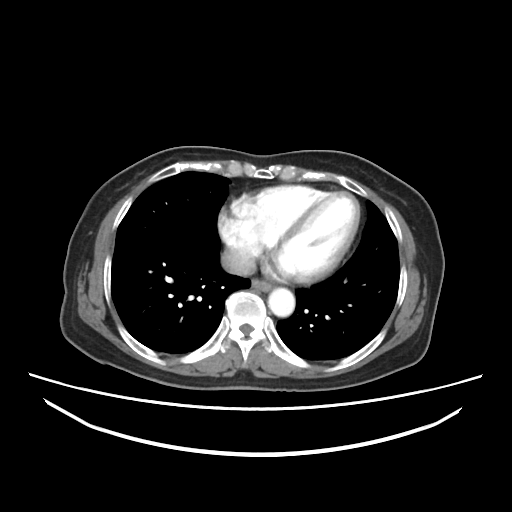
CT of the abdomen reaching into the lower chest, slice just above the liver and spleen · Axial slice 80/80 · 512x512 px · Aquilion ONE scanner
The heart and lungs are never labeled in this dataset, so they have no box on this slice.
<organs><organ name="esophagus" x1="251" y1="280" x2="271" y2="289"/><organ name="aorta" x1="267" y1="289" x2="294" y2="314"/><organ name="inferior vena cava" x1="220" y1="248" x2="256" y2="275"/></organs>